Abdominal MRI; axial plane, index 7
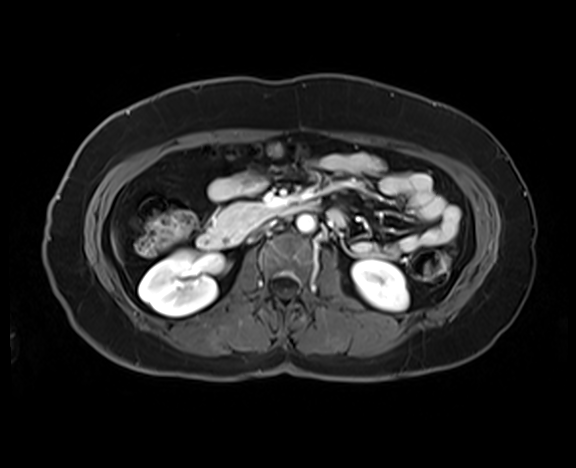

{"organs":{"right kidney":[138,250,223,315],"left kidney":[352,259,408,310],"aorta":[296,215,315,232],"inferior vena cava":[257,221,275,232],"pancreas":[212,203,275,235],"duodenum":[197,201,318,248]}}